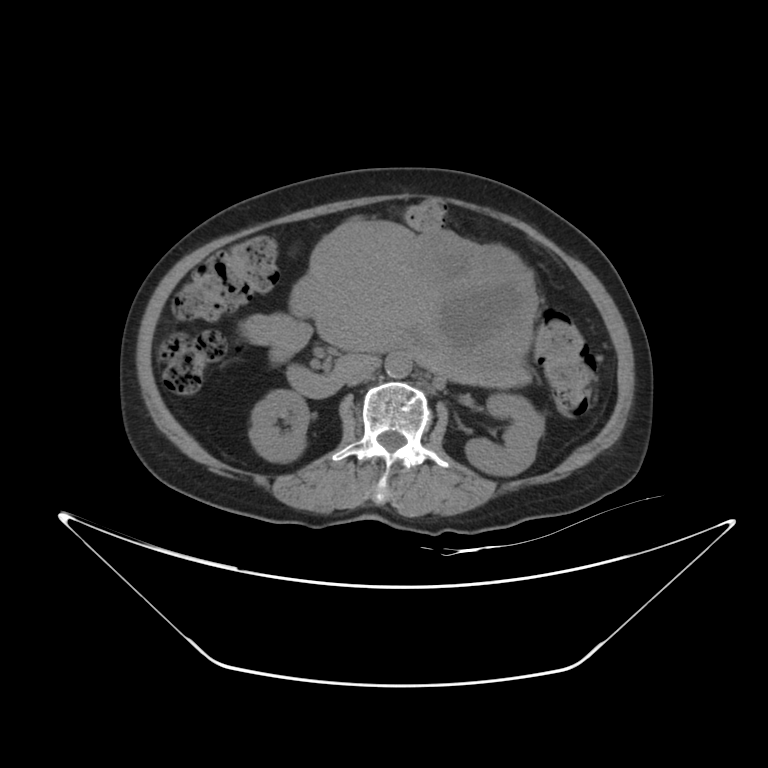 Computed tomography, abdomen; axial plane, index 55; 768x768 px
Boxes are (x1, y1, x2, y2) in pixels.
right kidney: (249, 390, 309, 462)
left kidney: (465, 394, 544, 475)
stomach: (292, 222, 536, 372)
aorta: (385, 352, 412, 379)
inferior vena cava: (345, 357, 379, 385)
pancreas: (424, 361, 532, 387)
duodenum: (287, 351, 365, 398)